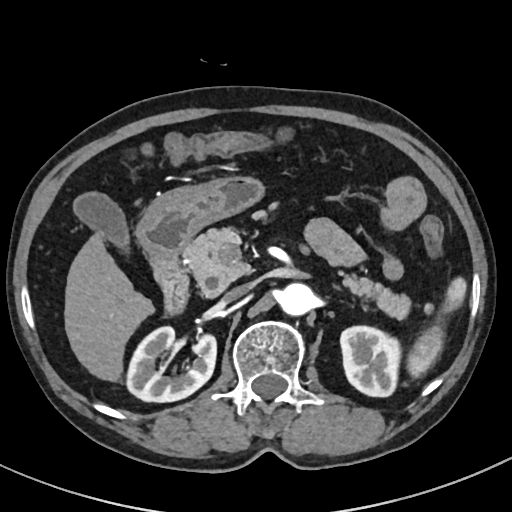
CT, abdomen/pelvis. axial view
{"organs":{"spleen":[407,277,467,375],"right kidney":[127,327,216,402],"left kidney":[341,325,398,396],"gall bladder":[73,191,131,247],"liver":[64,233,156,383],"stomach":[135,174,266,257],"aorta":[277,283,315,316],"inferior vena cava":[220,284,251,304],"pancreas":[185,228,412,319],"left adrenal gland":[331,285,338,288],"duodenum":[148,254,189,310]}}